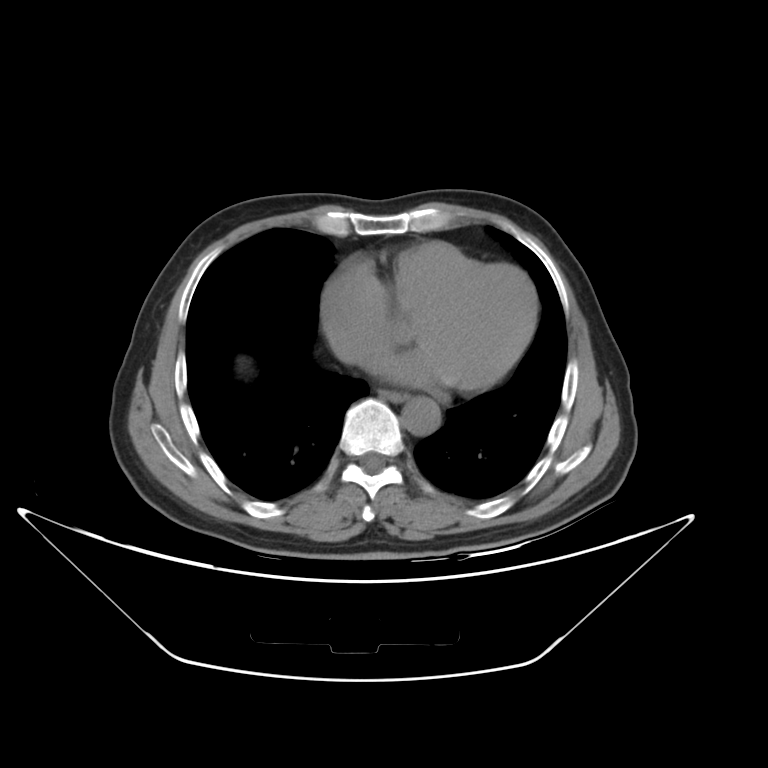

Lower-chest slice from an abdominal CT, just above the liver and spleen — axial view — soft-tissue window (W 400 / L 40) — Brilliance16 scanner
Of the structures in the chest, this dataset labels only the esophagus, the aorta and the inferior vena cava; the heart and lungs have no label. Coordinates as <box>x1,y1,x2,y2</box> in pixels. Labeled organs on this slice: aorta at <box>402,396,441,434</box>, esophagus at <box>382,391,408,403</box>.